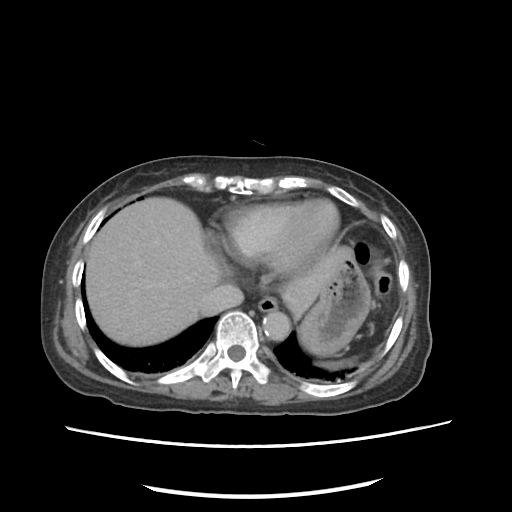
Abdominal CT. axial view. abdomen soft-tissue window. 512x512 px. 52-year-old female patient. scan has 14 labeled organs (that count is for the whole scan; organs this slice misses have no box)
Coordinates as <box>x1,y1,x2,y2</box> in pixels. 6 labeled organs on this slice — spleen at <box>323,362,343,368</box>; esophagus at <box>257,296,277,312</box>; liver at <box>86,197,349,346</box>; stomach at <box>299,256,371,355</box>; aorta at <box>262,311,290,340</box>; inferior vena cava at <box>198,284,243,315</box>.